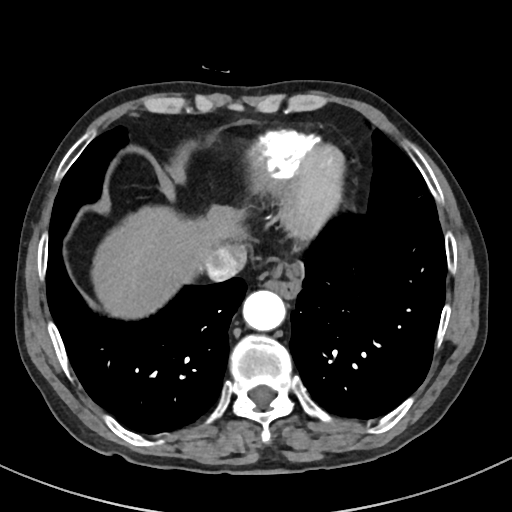
CT abdomen — Axial slice 208/303
<organs><organ name="esophagus" x1="262" y1="261" x2="303" y2="299"/><organ name="liver" x1="93" y1="206" x2="246" y2="318"/><organ name="aorta" x1="242" y1="290" x2="284" y2="330"/><organ name="inferior vena cava" x1="203" y1="249" x2="245" y2="280"/></organs>